CT, abdomen/pelvis · axial view · soft-tissue window
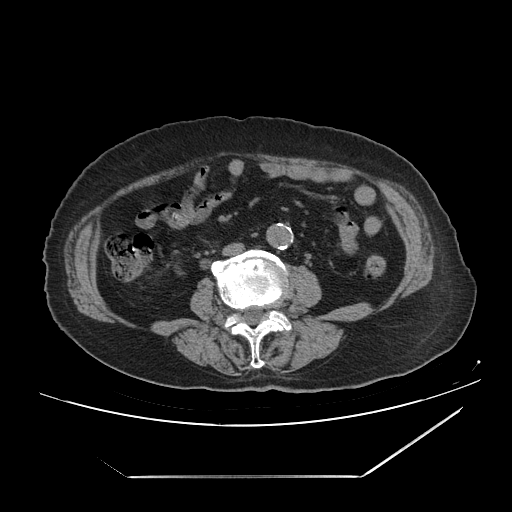

<organs><organ name="inferior vena cava" x1="221" y1="243" x2="244" y2="256"/><organ name="aorta" x1="266" y1="223" x2="293" y2="249"/></organs>